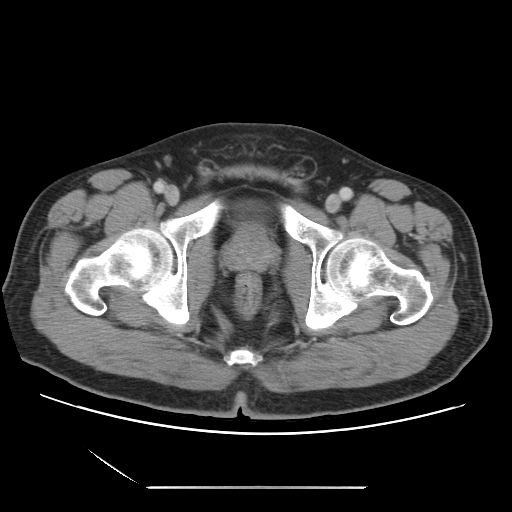 CT abdomen. axial plane, index 13. SOMATOM Force scanner
<organs><organ name="prostate/uterus" x1="224" y1="226" x2="275" y2="271"/></organs>